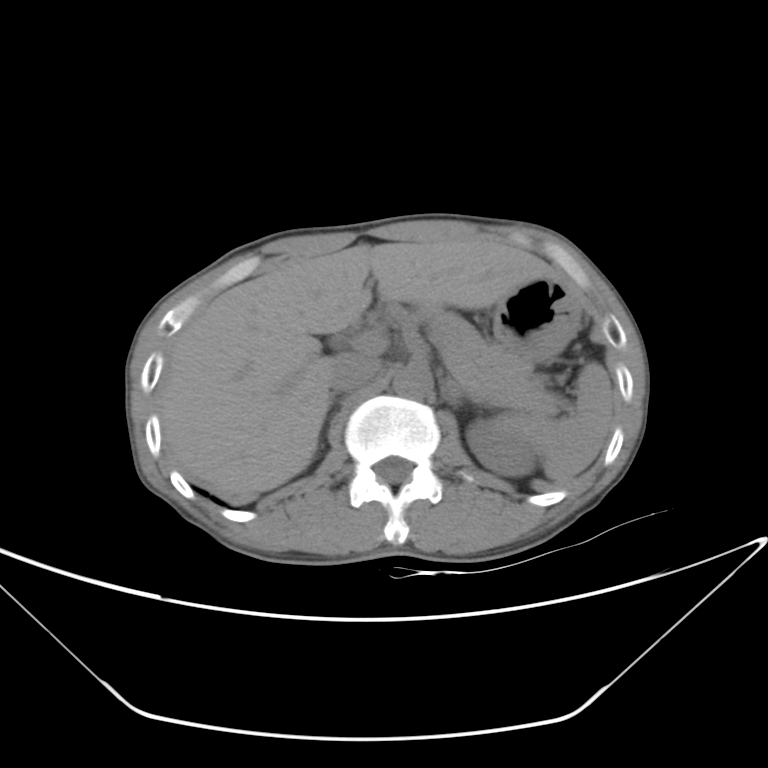

Computed tomography, abdomen; axial view; 53-year-old male patient
Boxes are (x1, y1, x2, y2) in pixels. 10 labeled organs on this slice — right adrenal gland at (320, 396, 336, 430); aorta at (392, 363, 433, 399); inferior vena cava at (328, 352, 381, 391); spleen at (506, 362, 615, 482); pancreas at (411, 309, 559, 413); duodenum at (360, 298, 382, 325); left kidney at (466, 416, 539, 476); stomach at (493, 279, 579, 362); left adrenal gland at (446, 379, 462, 407); liver at (159, 237, 556, 502).